CT abdomen; axial view; soft-tissue window (W 400 / L 40)
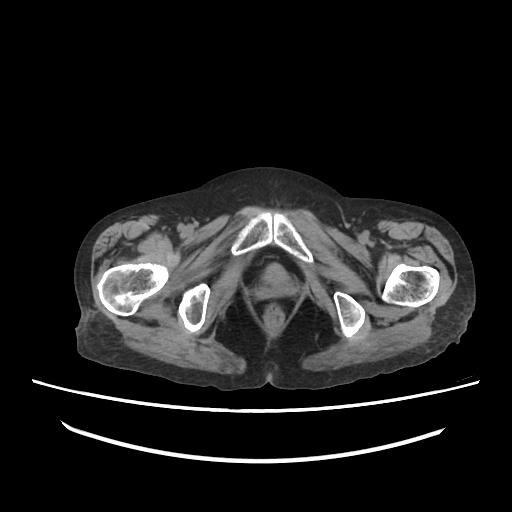
Boxes: x1:y1:x2:y2 in pixels.
bladder: 265:263:285:282